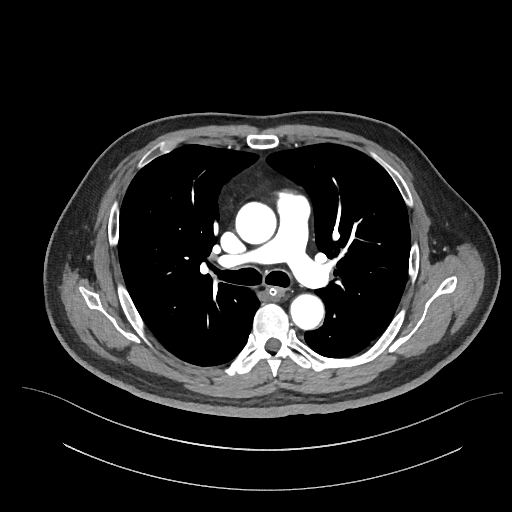 Abdominal CT reaching into the chest; this slice is in the chest. axial plane, index 269. scan has 15 labeled organs (a whole-scan count: organs this slice does not pass through have no box)
On a slice this high in the chest, this dataset labels only the esophagus and the aorta, and each is boxed only where it is labeled; the heart, lungs and other chest structures are not labeled.
{"organs":{"esophagus":[266,287,284,297],"aorta":[[235,202,276,244],[290,294,324,329]]}}